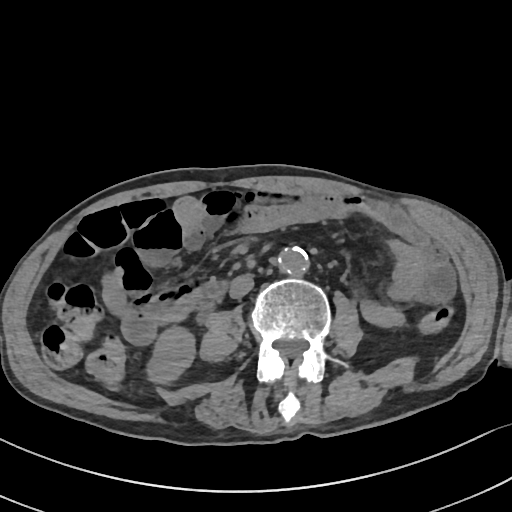

Abdominal CT; axial view; 512x512 px
One row per box, in pixels: columns x1 and y1 give the top-left corner, x2 and y2 the bottom-right.
| organ | x1 | y1 | x2 | y2 |
|---|---|---|---|---|
| right kidney | 146 | 327 | 195 | 383 |
| aorta | 278 | 247 | 308 | 275 |
| inferior vena cava | 229 | 274 | 253 | 298 |
| duodenum | 191 | 281 | 224 | 311 |